Computed tomography, abdomen; Axial slice 68/88; SOMATOM Force scanner
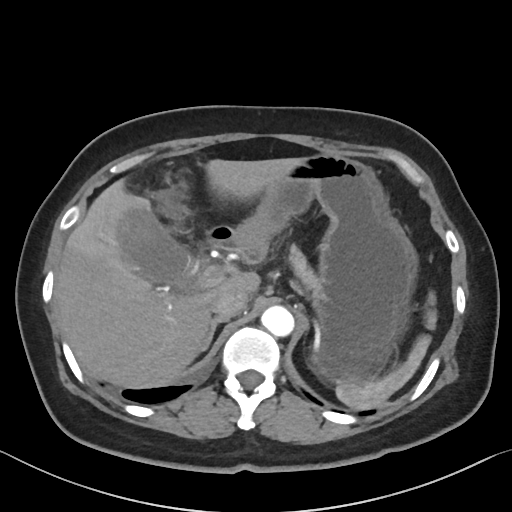
<organs><organ name="spleen" x1="335" y1="292" x2="437" y2="409"/><organ name="gall bladder" x1="115" y1="209" x2="192" y2="288"/><organ name="liver" x1="55" y1="158" x2="299" y2="388"/><organ name="stomach" x1="227" y1="153" x2="416" y2="384"/><organ name="aorta" x1="261" y1="305" x2="294" y2="336"/><organ name="inferior vena cava" x1="211" y1="289" x2="247" y2="321"/><organ name="pancreas" x1="289" y1="247" x2="316" y2="289"/><organ name="right adrenal gland" x1="203" y1="318" x2="223" y2="351"/><organ name="duodenum" x1="208" y1="226" x2="235" y2="252"/></organs>